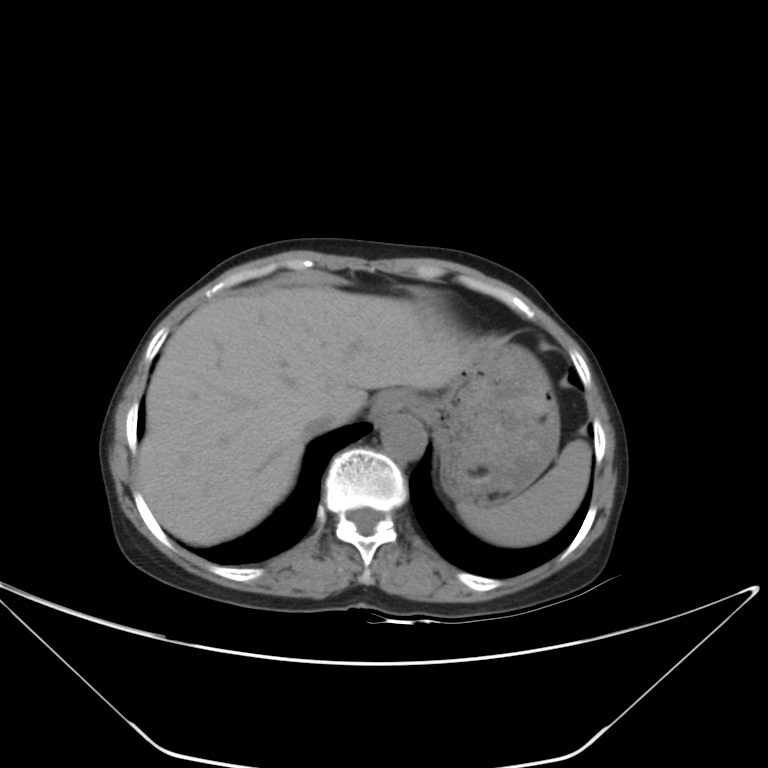 Computed tomography, abdomen. axial view. soft-tissue window. 768x768 px. acquired on Brilliance16
One row per box, in pixels: columns x1 and y1 give the top-left corner, x2 and y2 the bottom-right.
| organ | x1 | y1 | x2 | y2 |
|---|---|---|---|---|
| spleen | 458 | 440 | 591 | 545 |
| stomach | 411 | 341 | 560 | 503 |
| liver | 136 | 287 | 473 | 544 |
| aorta | 380 | 414 | 426 | 461 |
| esophagus | 370 | 391 | 414 | 426 |
| inferior vena cava | 306 | 416 | 341 | 433 |